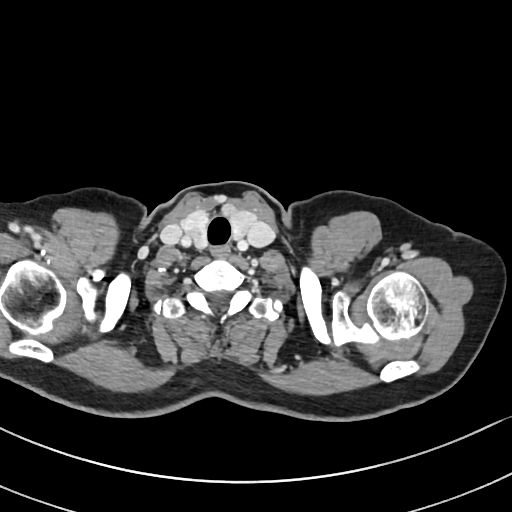
Chest-level CT slice, above the liver and spleen · Axial slice 314/314 · soft-tissue window (W 400 / L 40) · scan has 14 labeled organs (counted over the whole 3D scan, not this slice; an organ is boxed only where this slice passes through it)
At this level of the chest no structure but the esophagus and the aorta has a label in this dataset, and those two are boxed only where they are labeled.
Boxes: x1:y1:x2:y2 in pixels.
Organ bounding boxes:
- esophagus: 210:246:229:256